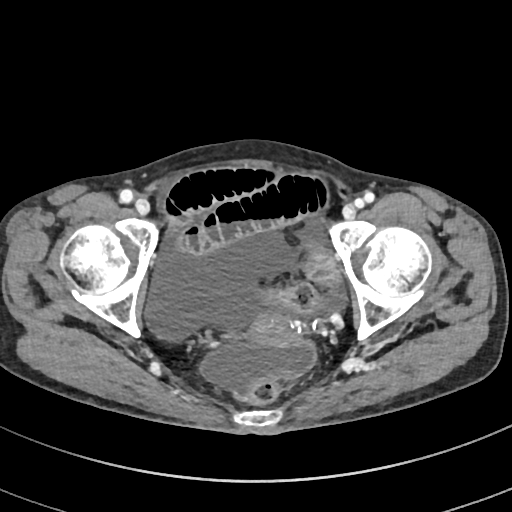
Computed tomography, abdomen. axial view. abdomen soft-tissue window. 512x512 px. scan has 14 labeled organs (counted over the whole 3D scan, not this slice; an organ is boxed only where this slice passes through it)
Boxes: x1:y1:x2:y2 in pixels. The annotated organs in this slice are: prostate/uterus at 246:310:298:347.